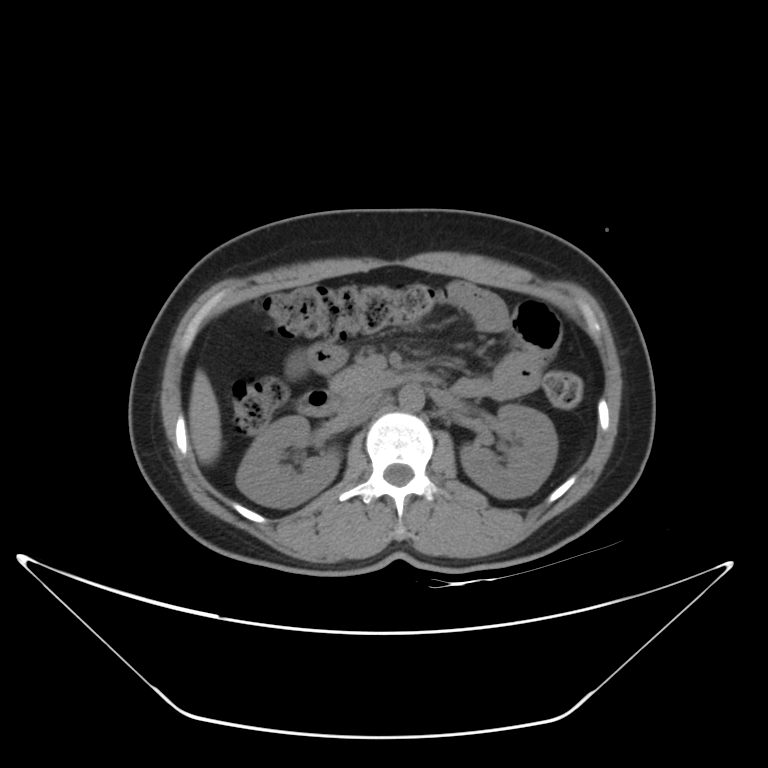
CT abdomen — axial view — W/L 400/40 HU — 39-year-old female patient
Boxes: x1 y1 x2 y2 (pixel coords, space-separated). 7 labeled organs on this slice — right kidney at 236 416 340 507; left kidney at 461 404 558 498; liver at 189 369 221 464; aorta at 397 384 425 410; inferior vena cava at 340 389 382 419; pancreas at 329 365 387 399; duodenum at 297 372 429 417.